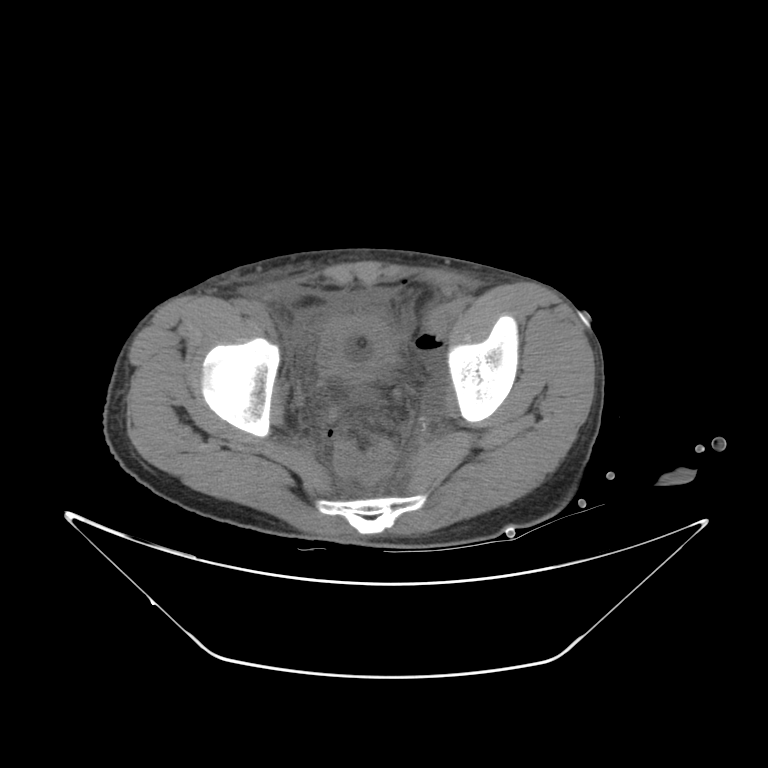

CT abdomen · axial view · soft-tissue window · 39-year-old male patient
Bounding boxes as [x1, y1, x2, y2] in pixel coordinates.
bladder: [318, 316, 393, 375]